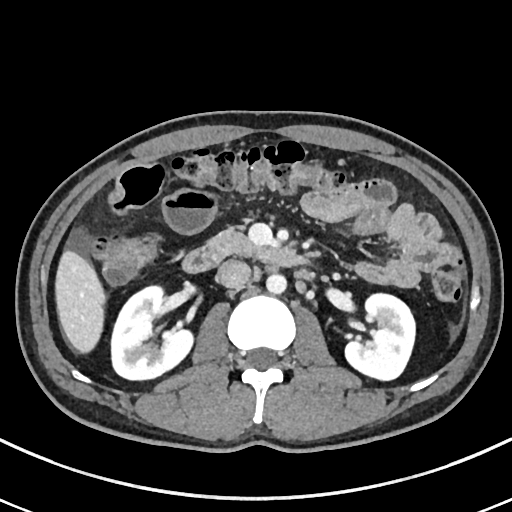
Computed tomography, abdomen — axial plane, index 136 — W/L 400/40 HU — acquired on SOMATOM Force
Bounding boxes as [x1, y1, x2, y2] in pixel coordinates.
inferior vena cava: [216, 260, 251, 288]
pancreas: [207, 228, 259, 256]
aorta: [266, 273, 286, 294]
duodenum: [181, 246, 308, 272]
left kidney: [345, 293, 415, 380]
right kidney: [111, 286, 193, 380]
liver: [55, 250, 105, 353]